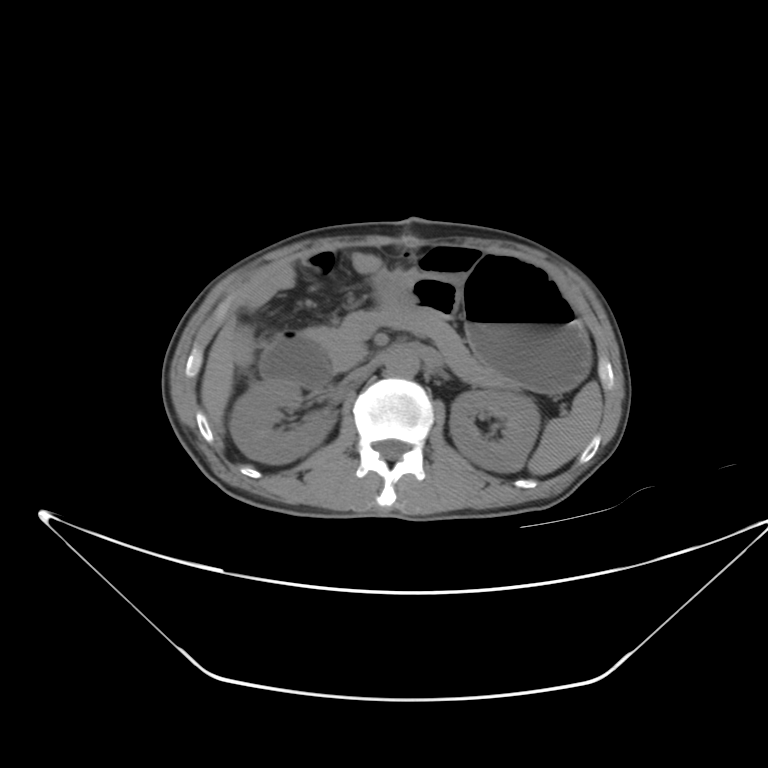 CT, abdomen/pelvis — axial view — abdomen soft-tissue window — 15 organs annotated in this scan (counted over the whole 3D scan, not this slice; an organ is boxed only where this slice passes through it)
{"organs":{"spleen":[529,382,599,474],"right kidney":[230,379,336,463],"left kidney":[450,392,540,472],"liver":[200,315,235,424],"stomach":[384,259,589,388],"aorta":[386,346,420,376],"inferior vena cava":[350,356,382,378],"pancreas":[331,310,518,388],"duodenum":[257,328,333,388]}}